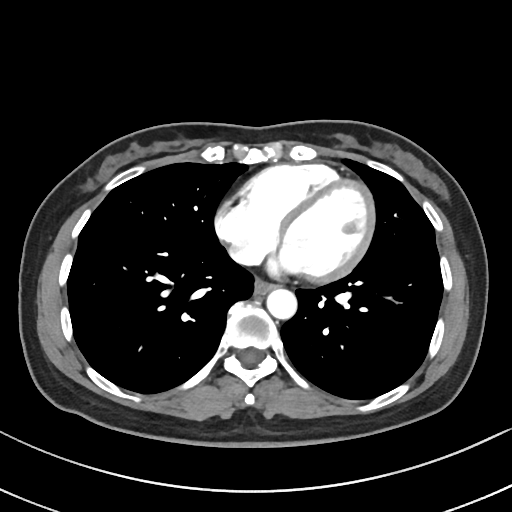
CT of the abdomen reaching into the lower chest, slice just above the liver and spleen. Axial slice 233/242. soft-tissue window (W 400 / L 40). 512x512 px
The heart and lungs are never labeled in this dataset, so they have no box on this slice.
Bounding boxes as [x1, y1, x2, y2] in pixel coordinates.
esophagus: [253, 281, 272, 294]
aorta: [266, 289, 296, 320]